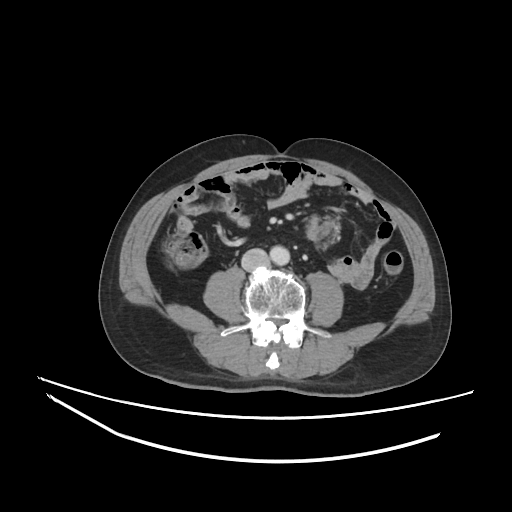

CT abdomen; axial view
Boxes are (x1, y1, x2, y2) in pixels.
inferior vena cava: (241, 248, 269, 271)
aorta: (270, 246, 289, 265)